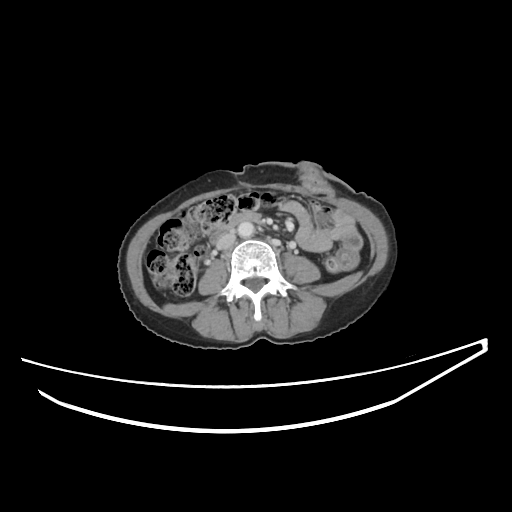 CT, abdomen/pelvis · axial view · 62-year-old female patient · acquired on Aquilion ONE
<organs><organ name="aorta" x1="237" y1="222" x2="254" y2="237"/><organ name="inferior vena cava" x1="216" y1="232" x2="235" y2="249"/><organ name="duodenum" x1="209" y1="214" x2="256" y2="243"/></organs>